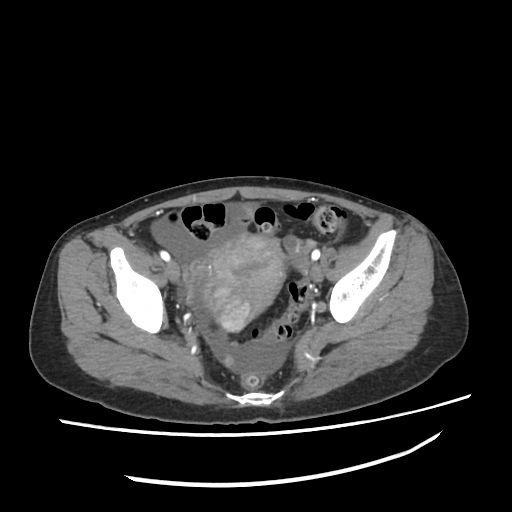

CT abdomen — Axial slice 16/78 — W/L 400/40 HU — 512x512 px — acquired on Aquilion ONE
Coordinates as <box>x1,y1,x2,y2</box> in pixels. 1 labeled organ on this slice — prostate/uterus at <box>198,235,283,331</box>.